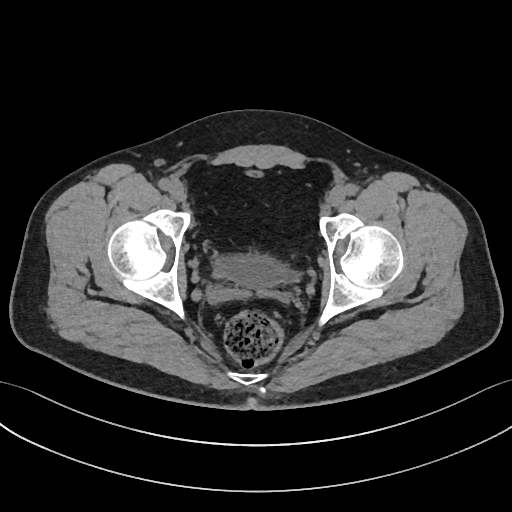

CT, abdomen/pelvis; Axial slice 37/225
Each box given as x1,y1,x2,y2. The annotated organs in this slice are: bladder at x1=215, y1=255, x2=288, y2=286.